Abdominal CT · Axial slice 39/244 · 512x512 px · acquired on SOMATOM Force
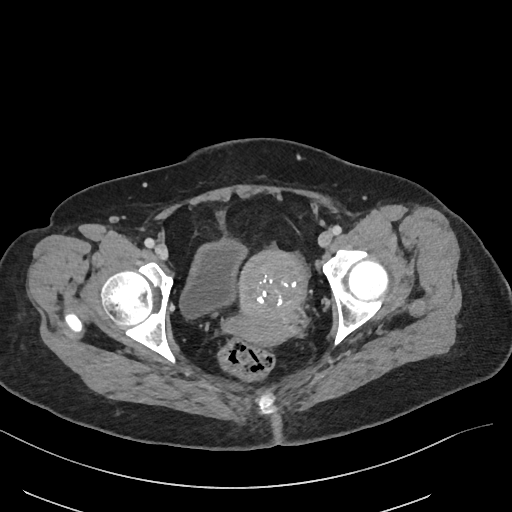 Boxes: x1 y1 x2 y2 (pixel coords, space-separated). 2 labeled organs on this slice — bladder at 180 239 246 318; prostate/uterus at 229 249 307 345.